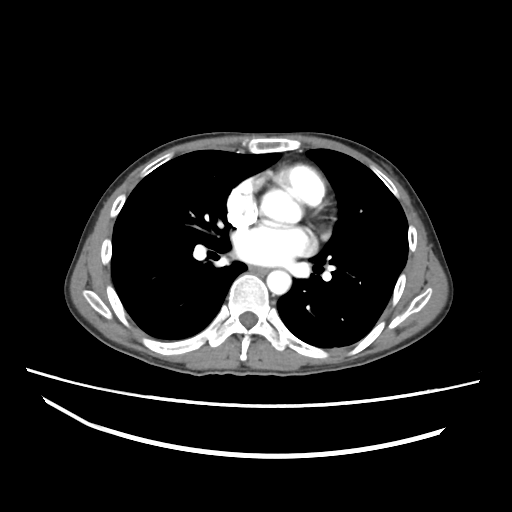
CT of the abdomen extending into the chest, slice through the chest · axial view · W/L 400/40 HU · Aquilion ONE scanner
At this level of the chest no structure but the esophagus and the aorta has a label in this dataset, and those two are boxed only where they are labeled.
<organs><organ name="esophagus" x1="249" y1="265" x2="268" y2="273"/><organ name="aorta" x1="266" y1="269" x2="291" y2="294"/></organs>